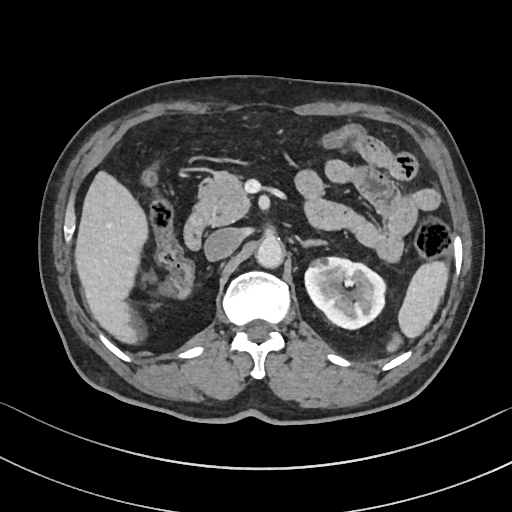

Computed tomography, abdomen. axial view. 512x512 px. scan has 14 labeled organs (counted over the whole 3D scan, not this slice; an organ is boxed only where this slice passes through it)
Organ boxes in pixel coordinates; each row gives the top-left (x1, y1) and bottom-right (x2, y2) corners.
| organ | x1 | y1 | x2 | y2 |
|---|---|---|---|---|
| spleen | 386 | 262 | 448 | 352 |
| left kidney | 305 | 257 | 386 | 329 |
| liver | 74 | 171 | 148 | 344 |
| aorta | 255 | 237 | 284 | 269 |
| inferior vena cava | 204 | 228 | 240 | 260 |
| pancreas | 199 | 171 | 249 | 225 |
| left adrenal gland | 299 | 240 | 327 | 248 |
| duodenum | 183 | 206 | 205 | 248 |